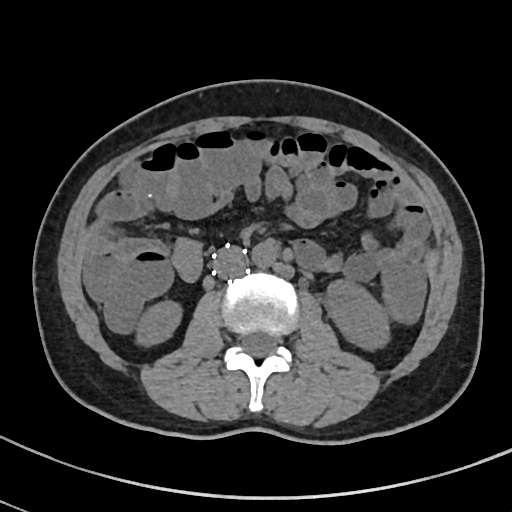 CT, abdomen/pelvis · axial view · 512x512 px
Boxes are (x1, y1, x2, y2) in pixels. The annotated organs in this slice are: right kidney at (136, 301, 181, 346), left kidney at (325, 280, 389, 349), aorta at (251, 240, 277, 268), inferior vena cava at (213, 246, 247, 279).